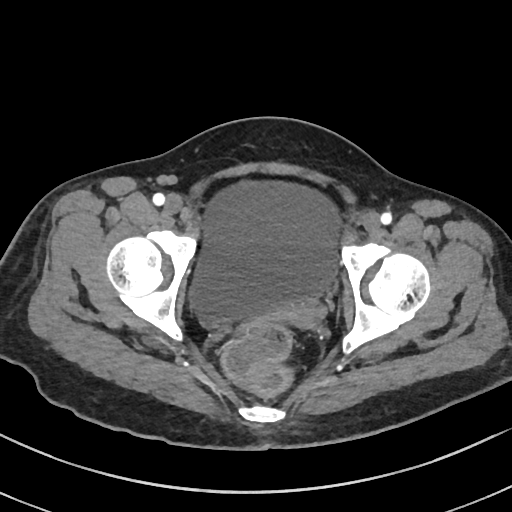
Computed tomography, abdomen. Axial slice 23/191. abdomen soft-tissue window. 512x512 px
One row per box, in pixels: columns x1 and y1 give the top-left corner, x2 and y2 the bottom-right.
| organ | x1 | y1 | x2 | y2 |
|---|---|---|---|---|
| bladder | 188 | 177 | 339 | 323 |
| prostate/uterus | 279 | 302 | 327 | 326 |